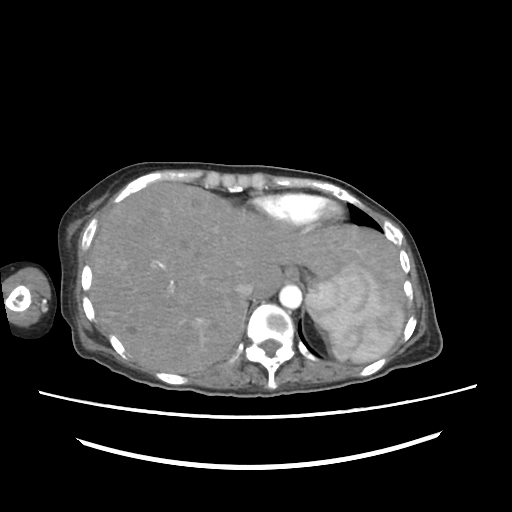
Abdominal CT — axial view — 48-year-old female patient — acquired on Aquilion ONE — scan has 15 labeled organs (a whole-scan count: organs this slice does not pass through have no box)
Each box given as x1,y1,x2,y2. Labeled organs on this slice: liver at x1=89, y1=182, x2=405, y2=373, aorta at x1=279, y1=284, x2=302, y2=308, spleen at x1=306, y1=267, x2=404, y2=362, inferior vena cava at x1=235, y1=282, x2=253, y2=298, esophagus at x1=283, y1=267, x2=299, y2=283, stomach at x1=310, y1=272, x2=325, y2=288.